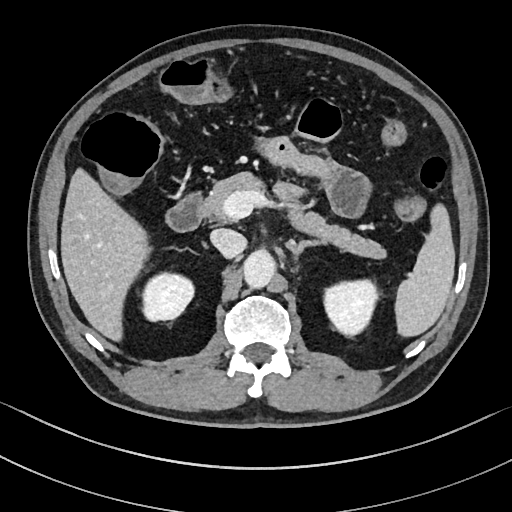
CT, abdomen/pelvis; Axial slice 159/232
{"organs":{"duodenum":[165,192,204,232],"right kidney":[141,272,193,321],"inferior vena cava":[210,229,246,258],"liver":[61,168,150,341],"spleen":[395,203,455,336],"pancreas":[202,172,386,259],"aorta":[243,249,275,288],"left kidney":[324,279,378,335],"left adrenal gland":[285,240,325,258]}}